Computed tomography, abdomen — axial view — 768x768 px
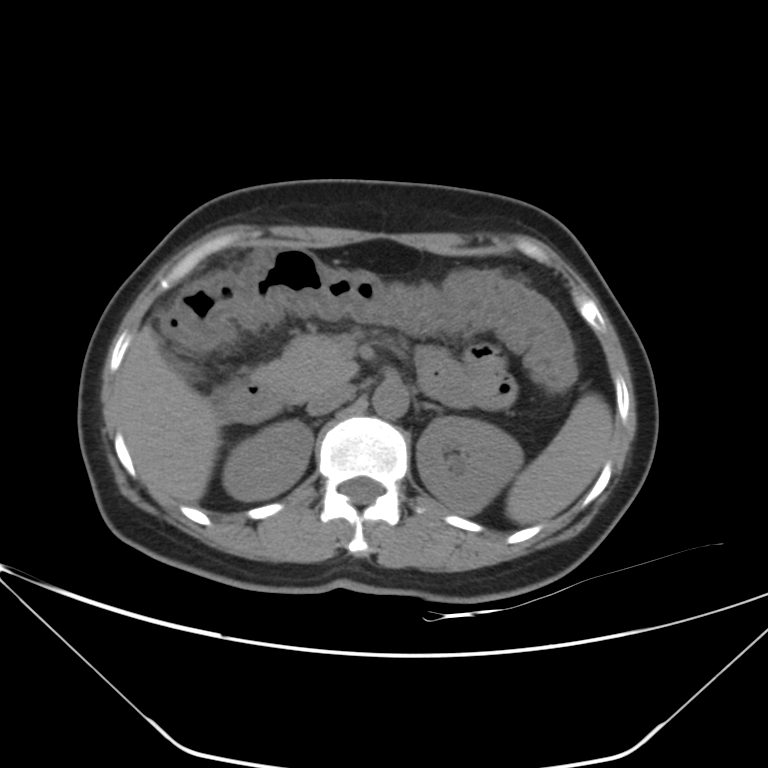

{"organs":{"aorta":[373,382,408,418],"pancreas":[253,334,356,402],"left adrenal gland":[426,403,440,410],"duodenum":[212,348,453,423],"inferior vena cava":[307,386,353,414],"liver":[120,324,219,504],"left kidney":[417,415,523,515],"right kidney":[222,420,312,499],"spleen":[505,393,613,525]}}